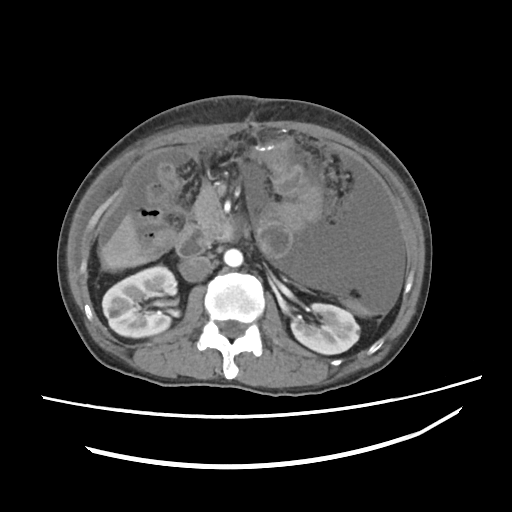 Computed tomography, abdomen — Axial slice 67/103 — 50-year-old male patient — 15 organs annotated in this scan (that count is for the whole scan; organs this slice misses have no box)
Boxes: x1:y1:x2:y2 in pixels.
right kidney: 101:267:177:337
left kidney: 290:304:358:353
liver: 100:212:149:267
aorta: 224:248:242:268
inferior vena cava: 180:255:213:281
pancreas: 193:190:223:234
duodenum: 176:217:233:256